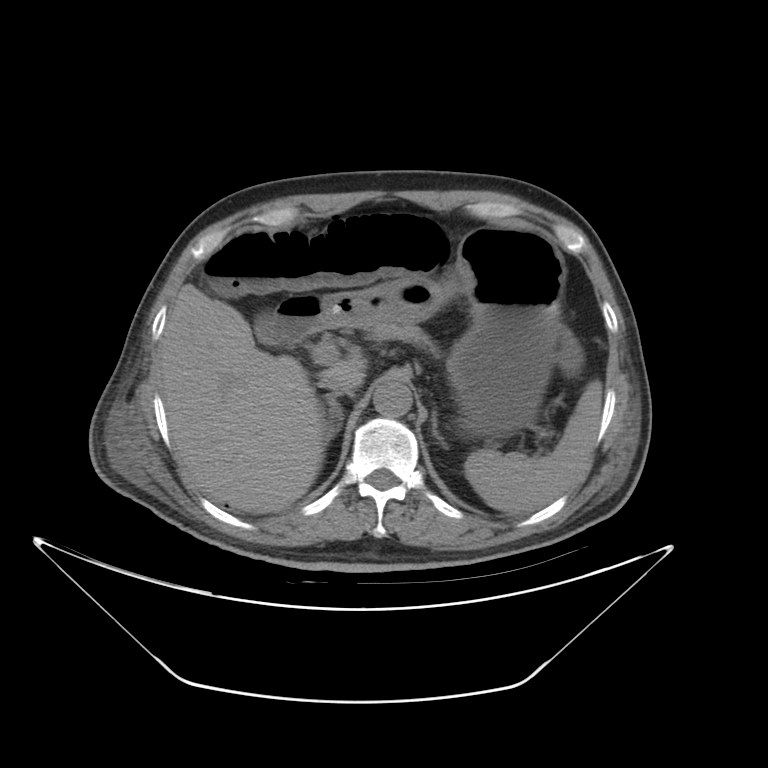 CT abdomen. axial plane, index 75. soft-tissue window. 66-year-old male patient
Bounding boxes in pixels, one row per box: x1, y1 is the top-left corner and x2, y2 the bottom-right.
| organ | x1 | y1 | x2 | y2 |
|---|---|---|---|---|
| spleen | 465 | 384 | 602 | 517 |
| gall bladder | 255 | 312 | 273 | 341 |
| liver | 161 | 283 | 367 | 514 |
| stomach | 319 | 228 | 565 | 438 |
| aorta | 374 | 382 | 411 | 417 |
| inferior vena cava | 319 | 373 | 348 | 390 |
| pancreas | 360 | 324 | 436 | 352 |
| right adrenal gland | 324 | 393 | 342 | 443 |
| left adrenal gland | 432 | 404 | 446 | 447 |
| duodenum | 276 | 298 | 324 | 342 |